CT abdomen. axial view. soft-tissue window (W 400 / L 40). 71-year-old male patient. 15 organs annotated in this scan (a whole-scan count: organs this slice does not pass through have no box)
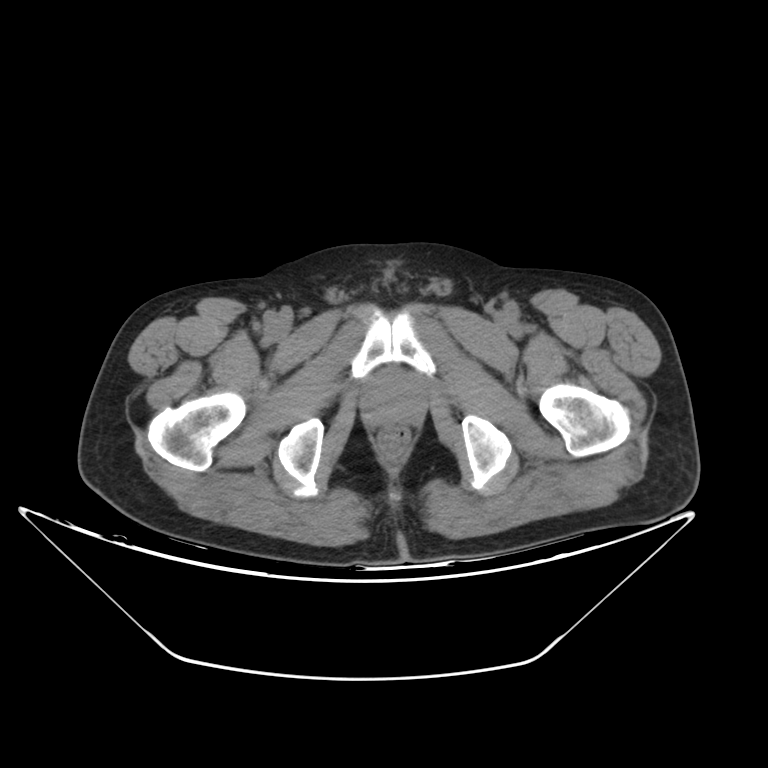 Boxes: x1:y1:x2:y2 in pixels.
prostate/uterus: 360:368:427:426